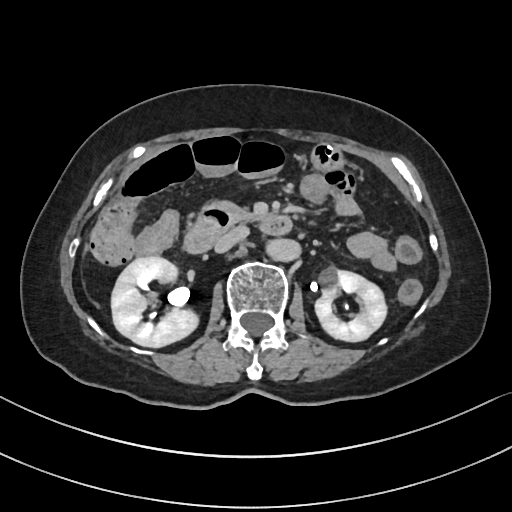 CT abdomen — axial plane, index 136 — soft-tissue window (W 400 / L 40) — 512x512 px — 15 organs annotated in this scan (that count is for the whole scan; organs this slice misses have no box)
Each box given as x1,y1,x2,y2. Labeled organs on this slice: right kidney at x1=111, y1=257, x2=199, y2=346, left kidney at x1=315, y1=268, x2=386, y2=342, stomach at x1=312, y1=144, x2=341, y2=168, aorta at x1=271, y1=240, x2=300, y2=260, inferior vena cava at x1=215, y1=226, x2=247, y2=252, pancreas at x1=208, y1=201, x2=251, y2=218, duodenum at x1=184, y1=205, x2=292, y2=252.